Abdominal CT — axial view — abdomen soft-tissue window — 512x512 px — 15 organs annotated in this scan (a whole-scan count: organs this slice does not pass through have no box)
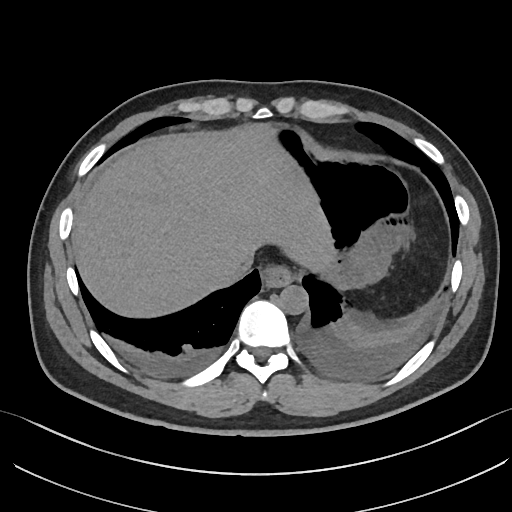 {"organs":{"liver":[71,127,332,318],"esophagus":[260,263,293,287],"stomach":[268,126,411,289],"aorta":[278,285,308,314],"inferior vena cava":[215,258,247,286]}}